Computed tomography, abdomen. axial view. 512x512 px. SOMATOM Force scanner. scan has 15 labeled organs (a whole-scan count: organs this slice does not pass through have no box)
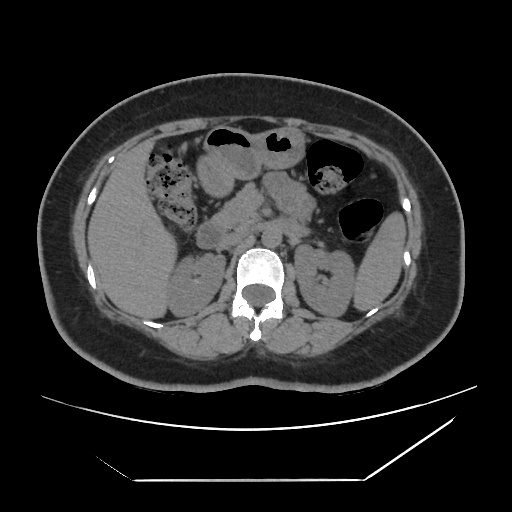
<organs><organ name="spleen" x1="354" y1="213" x2="405" y2="310"/><organ name="right kidney" x1="166" y1="253" x2="224" y2="315"/><organ name="left kidney" x1="295" y1="245" x2="355" y2="316"/><organ name="liver" x1="88" y1="140" x2="174" y2="318"/><organ name="stomach" x1="198" y1="126" x2="304" y2="194"/><organ name="aorta" x1="261" y1="228" x2="281" y2="247"/><organ name="inferior vena cava" x1="219" y1="229" x2="247" y2="248"/><organ name="pancreas" x1="210" y1="183" x2="259" y2="230"/><organ name="duodenum" x1="195" y1="222" x2="224" y2="248"/></organs>